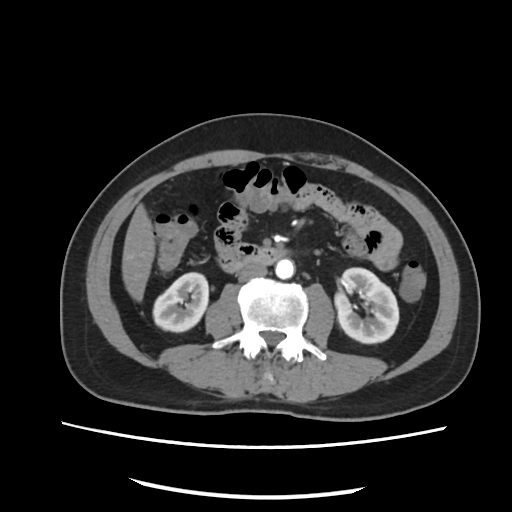 Abdominal CT · axial view · 66-year-old male patient
Each box given as x1,y1,x2,y2.
Organ bounding boxes:
- right kidney: x1=153, y1=273, x2=208, y2=331
- left kidney: x1=335, y1=267, x2=399, y2=343
- liver: x1=120, y1=204, x2=156, y2=302
- aorta: x1=276, y1=259, x2=294, y2=277
- inferior vena cava: x1=239, y1=264, x2=267, y2=279
- duodenum: x1=220, y1=243, x2=284, y2=271